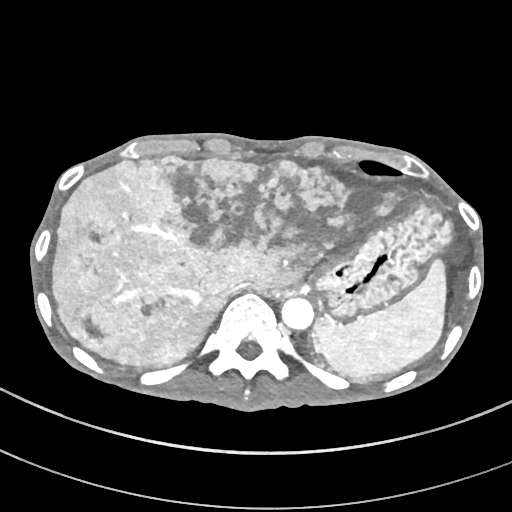 CT abdomen. Axial slice 185/218. 512x512 px. 15 organs annotated in this scan (counted over the whole 3D scan, not this slice; an organ is boxed only where this slice passes through it)
Coordinates as <box>x1,y1,x2,y2</box> in pixels.
spleen: <box>313,259,446,376</box>
liver: <box>52,155,435,383</box>
stomach: <box>310,205,453,316</box>
aorta: <box>281,297,313,329</box>
inferior vena cava: <box>224,284,248,296</box>